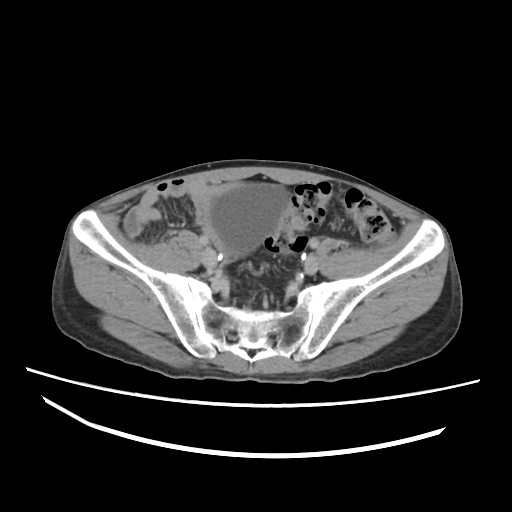 Computed tomography, abdomen — axial plane, index 37 — 15 organs annotated in this scan (that count is for the whole scan; organs this slice misses have no box)
Bounding boxes as [x1, y1, x2, y2] in pixel coordinates.
bladder: [208, 184, 287, 256]